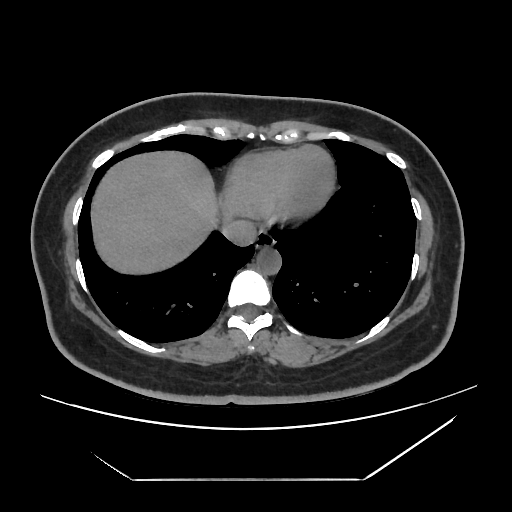 CT, abdomen/pelvis; axial view; soft-tissue window (W 400 / L 40); scan has 15 labeled organs (counted over the whole 3D scan, not this slice; an organ is boxed only where this slice passes through it)
Each box given as x1,y1,x2,y2. 4 labeled organs on this slice — esophagus at x1=255, y1=231, x2=274, y2=249; inferior vena cava at x1=222, y1=220, x2=256, y2=246; liver at x1=91, y1=153, x2=219, y2=273; aorta at x1=256, y1=248, x2=281, y2=275.